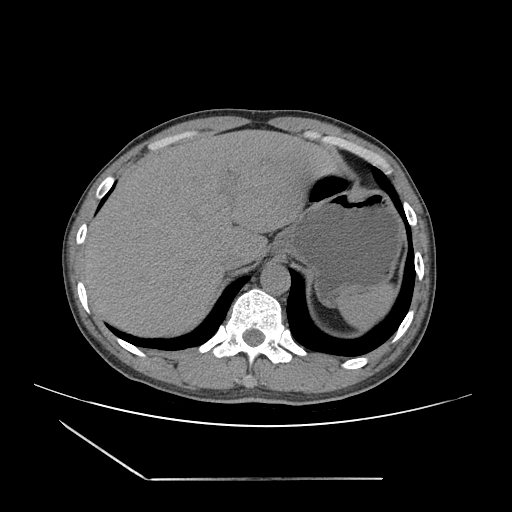

CT abdomen — axial plane, index 151 — 512x512 px
<organs><organ name="inferior vena cava" x1="218" y1="247" x2="244" y2="270"/><organ name="liver" x1="82" y1="129" x2="337" y2="336"/><organ name="aorta" x1="260" y1="263" x2="290" y2="294"/><organ name="stomach" x1="271" y1="190" x2="404" y2="297"/><organ name="spleen" x1="335" y1="283" x2="396" y2="331"/></organs>